CT, abdomen/pelvis; axial view; W/L 400/40 HU; scan has 15 labeled organs (a whole-scan count: organs this slice does not pass through have no box)
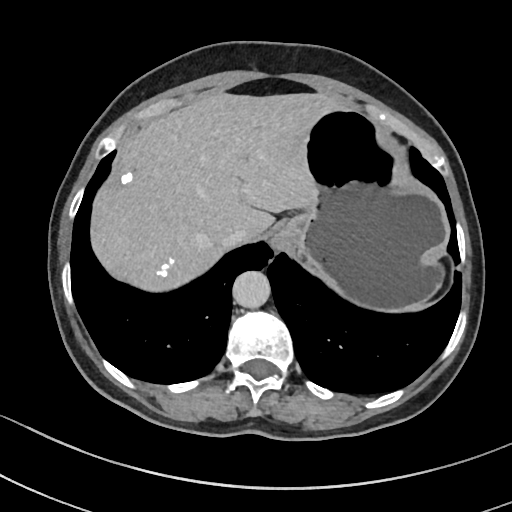 Bounding boxes as [x1, y1, x2, y2] in pixel coordinates.
esophagus: [271, 232, 288, 251]
liver: [91, 93, 344, 291]
stomach: [277, 107, 447, 310]
aorta: [232, 271, 270, 308]
inferior vena cava: [219, 229, 249, 247]